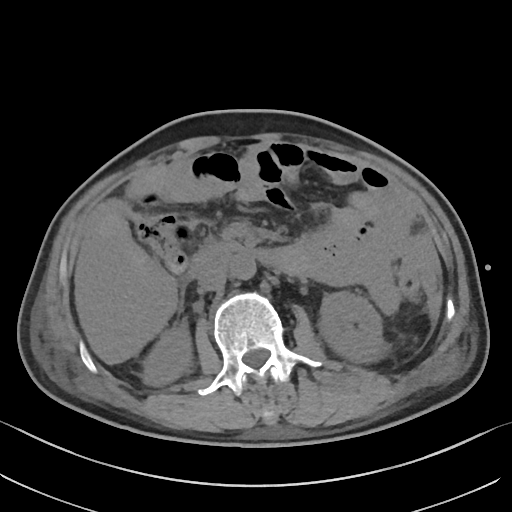

Abdominal CT; Axial slice 55/100; 512x512 px
{"organs":{"inferior vena cava":[198,265,227,291],"left kidney":[318,291,384,362],"pancreas":[208,245,214,246],"duodenum":[188,242,275,277],"aorta":[229,256,256,279],"right kidney":[142,326,192,385]}}